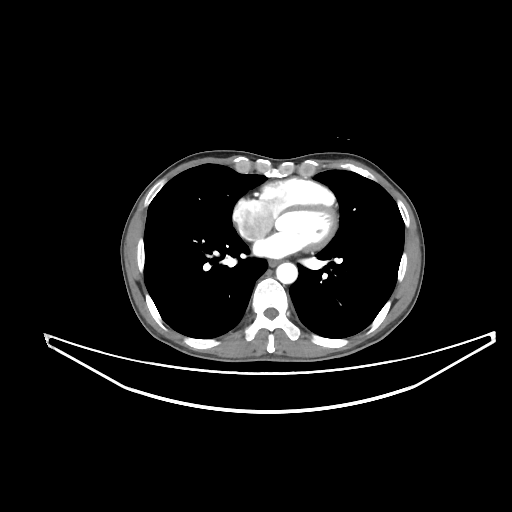
Chest-level CT slice, above the liver and spleen — Axial slice 95/134 — soft-tissue window — 512x512 px — 52-year-old male patient — scan has 15 labeled organs (that count is for the whole scan; organs this slice misses have no box)
At this level of the chest this dataset labels only the esophagus and the aorta, and each is boxed only where it is labeled; the heart and lungs are never labeled.
{"organs":{"aorta":[276,262,297,283],"esophagus":[269,260,277,266]}}